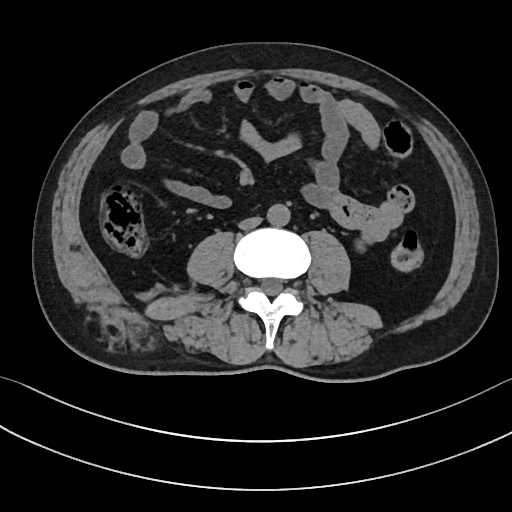
Computed tomography, abdomen · axial view · soft-tissue window · 15 organs annotated in this scan (counted over the whole 3D scan, not this slice; an organ is boxed only where this slice passes through it)
Box edges are left/top/right/bottom in pixels. 2 labeled organs on this slice — inferior vena cava at left=238, top=217, right=261, bottom=229; aorta at left=267, top=204, right=290, bottom=226.